CT of the abdomen reaching into the lower chest, slice just above the liver and spleen — axial view — acquired on Aquilion ONE
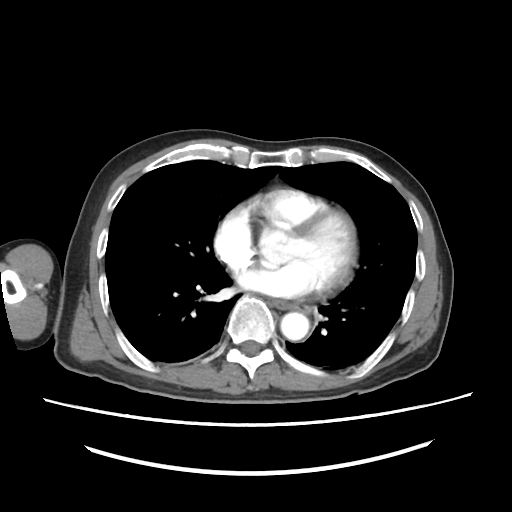

Of the structures in the chest, this dataset labels only the esophagus, the aorta and the inferior vena cava; the heart and lungs have no label.
Bounding boxes as [x1, y1, x2, y2] in pixel coordinates.
Organ bounding boxes:
- esophagus: [264, 298, 310, 312]
- aorta: [280, 312, 309, 341]